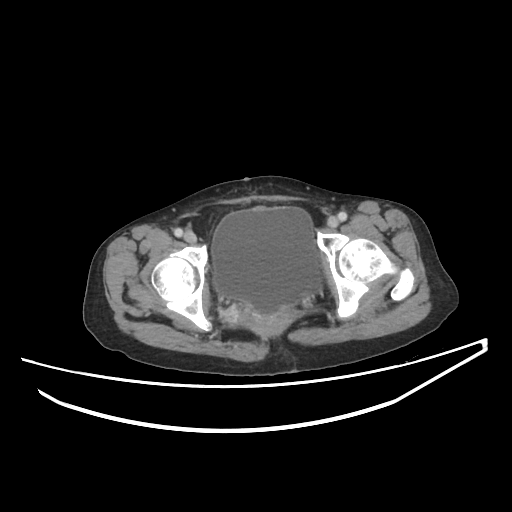

CT abdomen — axial view
Boxes: x1:y1:x2:y2 in pixels.
bladder: 212:207:320:314